Abdominal CT; Axial slice 102/115; soft-tissue window (W 400 / L 40); 55-year-old male patient; 15 organs annotated in this scan (a whole-scan count: organs this slice does not pass through have no box)
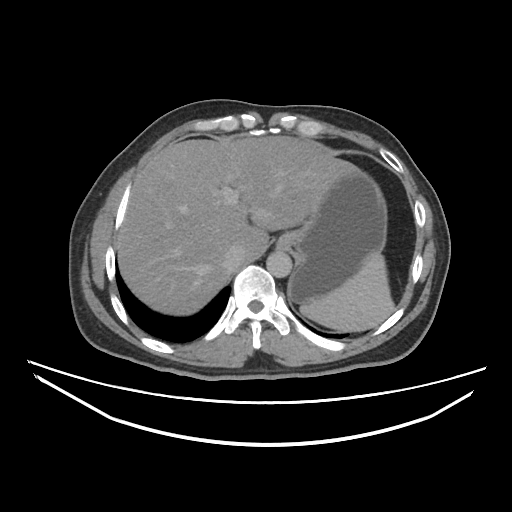

Boxes: x1 y1 x2 y2 (pixel coords, space-separated).
Organ bounding boxes:
- stomach: 280 166 387 303
- liver: 116 135 355 316
- spleen: 299 255 394 332
- inferior vena cava: 221 245 244 267
- aorta: 267 250 292 277